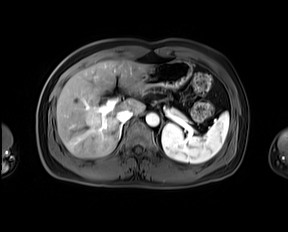

Abdominal MRI. axial view. Prisma scanner. 13 organs annotated in this scan (counted over the whole 3D scan, not this slice; an organ is boxed only where this slice passes through it)
Boxes: x1 y1 x2 y2 (pixel coords, space-separated). 7 labeled organs on this slice — spleen at 162 112 229 163; pancreas at 167 107 186 120; aorta at 145 112 159 126; liver at 56 60 150 158; right adrenal gland at 118 124 122 140; inferior vena cava at 117 110 133 122; stomach at 142 60 191 88.